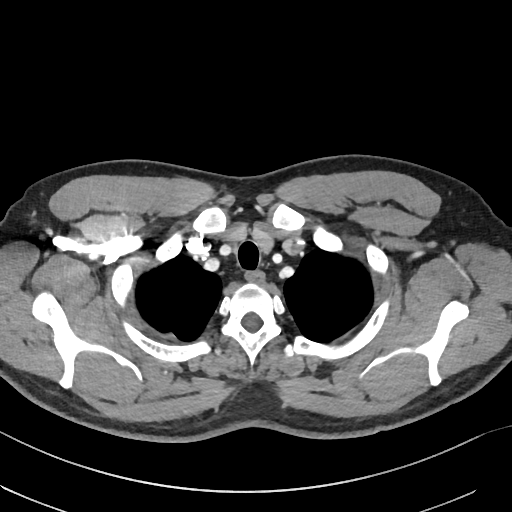 Chest-level CT slice, above the liver and spleen; Axial slice 294/307; soft-tissue window; SOMATOM Force scanner
At this level of the chest no structure but the esophagus and the aorta has a label in this dataset, and those two are boxed only where they are labeled. Coordinates as <box>x1,y1,x2,y2</box> in pixels. Labeled organs on this slice: esophagus at <box>244,272,264,283</box>.